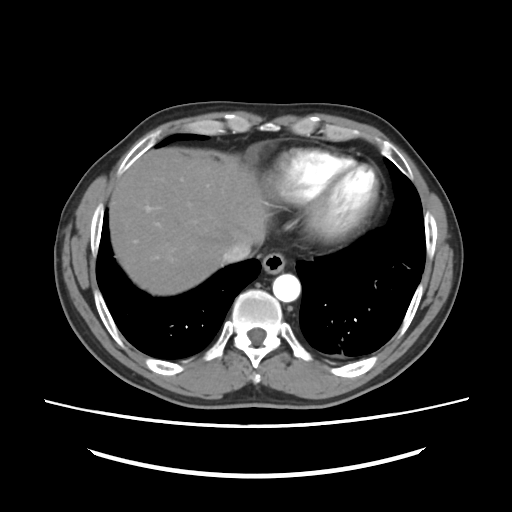

CT abdomen — axial view — 512x512 px
Bounding boxes in pixels, one row per box: x1, y1 is the top-left corner and x2, y2 the bottom-right.
| organ | x1 | y1 | x2 | y2 |
|---|---|---|---|---|
| esophagus | 262 | 252 | 285 | 273 |
| liver | 109 | 148 | 266 | 295 |
| aorta | 272 | 274 | 300 | 302 |
| inferior vena cava | 222 | 241 | 252 | 262 |